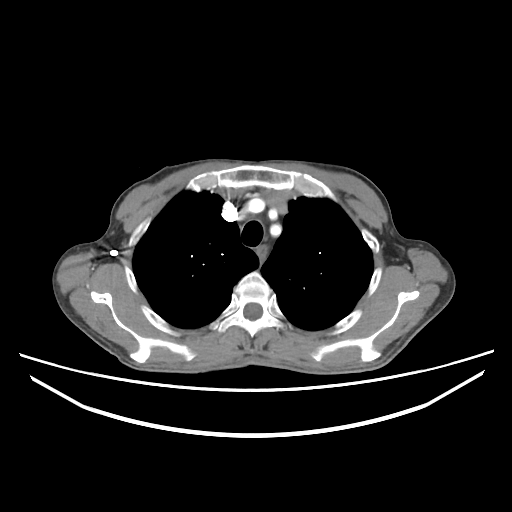

Chest-level CT slice, above the liver and spleen — axial view — soft-tissue window — 50-year-old male patient
At this level of the chest this dataset labels only the esophagus and the aorta, and each is boxed only where it is labeled; the heart and lungs are never labeled.
<organs><organ name="esophagus" x1="257" y1="246" x2="267" y2="262"/></organs>